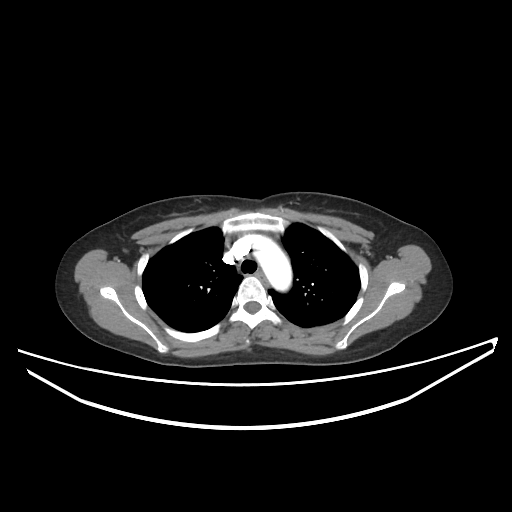
Chest-level CT slice, above the liver and spleen · axial plane, index 112 · 512x512 px · 37-year-old female patient
At this level of the chest this dataset labels only the esophagus and the aorta, and each is boxed only where it is labeled; the heart and lungs are never labeled.
One row per box, in pixels: columns x1 and y1 give the top-left corner, x2 and y2 the bottom-right.
| organ | x1 | y1 | x2 | y2 |
|---|---|---|---|---|
| esophagus | 255 | 271 | 269 | 286 |
| aorta | 254 | 239 | 292 | 291 |